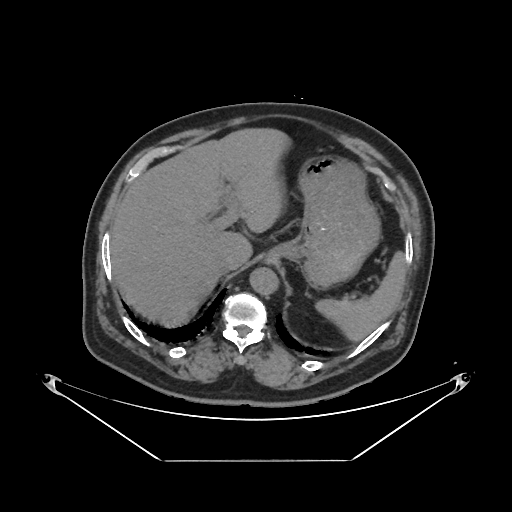
Computed tomography, abdomen — axial view — soft-tissue window (W 400 / L 40) — 512x512 px — acquired on SOMATOM Force — scan has 15 labeled organs (that count is for the whole scan; organs this slice misses have no box)
Boxes are (x1, y1, x2, y2) in pixels.
Organ bounding boxes:
- spleen: (314, 251, 404, 341)
- liver: (110, 129, 289, 322)
- stomach: (264, 156, 379, 289)
- aorta: (250, 268, 279, 295)
- inferior vena cava: (215, 255, 238, 274)